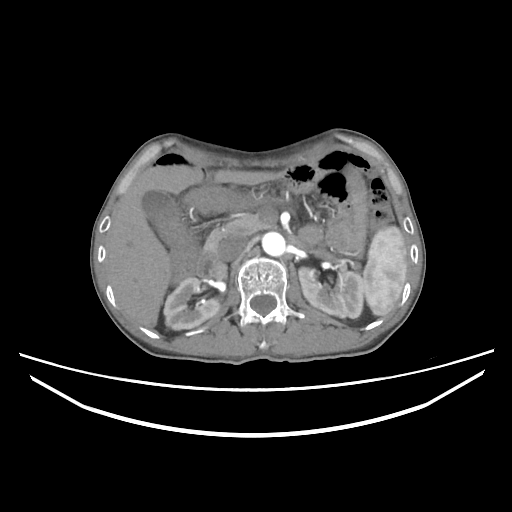 Abdominal CT; axial view; abdomen soft-tissue window; 50-year-old male patient; Aquilion ONE scanner; scan has 14 labeled organs (that count is for the whole scan; organs this slice misses have no box)
Boxes are (x1, y1, x2, y2) in pixels. Labeled organs on this slice: aorta at (262, 232, 285, 256), inferior vena cava at (217, 234, 247, 261), pancreas at (205, 214, 263, 254), duodenum at (197, 252, 217, 275), left kidney at (298, 267, 363, 318), gall bladder at (142, 191, 179, 227), spleen at (362, 226, 407, 315), right kidney at (163, 277, 220, 329), liver at (106, 164, 277, 327).